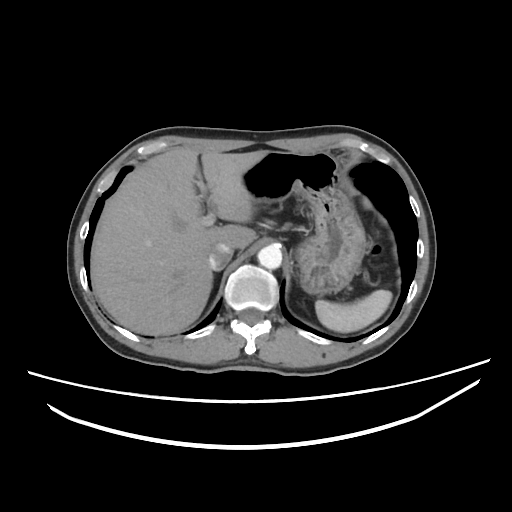 Computed tomography, abdomen. axial view. 512x512 px. 63-year-old male patient
Boxes are (x1, y1, x2, y2) in pixels. Labeled organs on this slice: spleen at (315, 289, 391, 332), liver at (90, 148, 267, 335), stomach at (242, 151, 366, 295), aorta at (257, 245, 282, 269), inferior vena cava at (208, 242, 233, 270).